Abdominal CT reaching into the chest; this slice is in the chest · axial plane, index 270 · W/L 400/40 HU · 512x512 px · SOMATOM Force scanner · 15 organs annotated in this scan (that count is for the whole scan; organs this slice misses have no box)
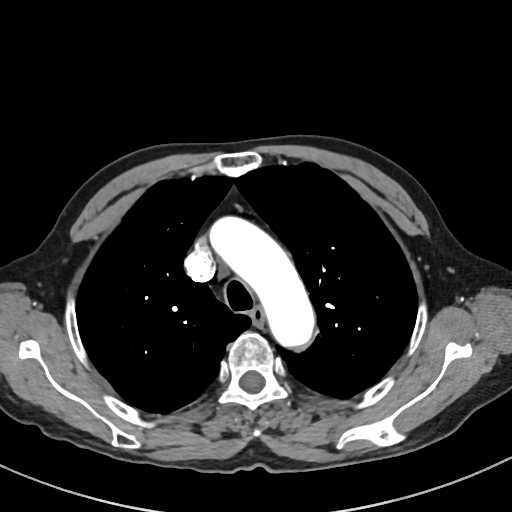 At this level of the chest no structure but the esophagus and the aorta has a label in this dataset, and those two are boxed only where they are labeled. Bounding boxes as [x1, y1, x2, y2] in pixel coordinates. 2 labeled organs on this slice — aorta at [212, 218, 313, 344]; esophagus at [250, 305, 264, 327].